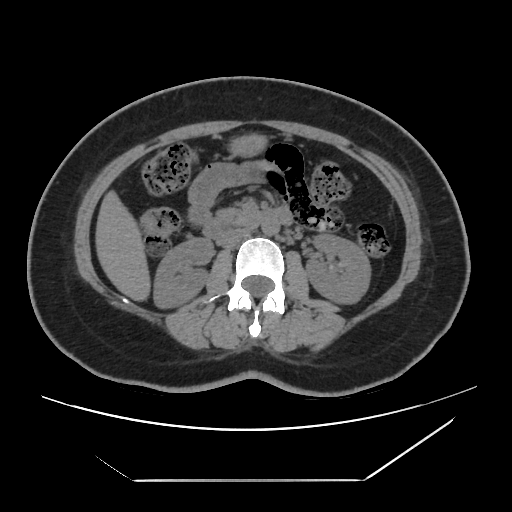 CT abdomen; axial view; 512x512 px
Boxes: x1 y1 x2 y2 (pixel coords, space-separated).
duodenum: 202 208 292 240
pancreas: 216 208 250 225
liver: 95 189 151 302
right kidney: 154 238 213 308
left kidney: 306 234 370 304
inferior vena cava: 218 227 253 248
aorta: 261 219 279 236
stomach: 230 133 268 155